CT of the abdomen extending into the chest, slice through the chest; axial view; soft-tissue window (W 400 / L 40); 512x512 px; scan has 15 labeled organs (counted over the whole 3D scan, not this slice; an organ is boxed only where this slice passes through it)
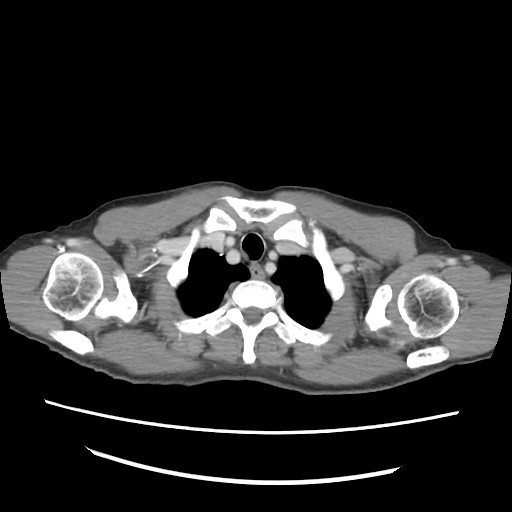
At this level of the chest no structure but the esophagus and the aorta has a label in this dataset, and those two are boxed only where they are labeled.
{"organs":{"esophagus":[250,265,264,278]}}